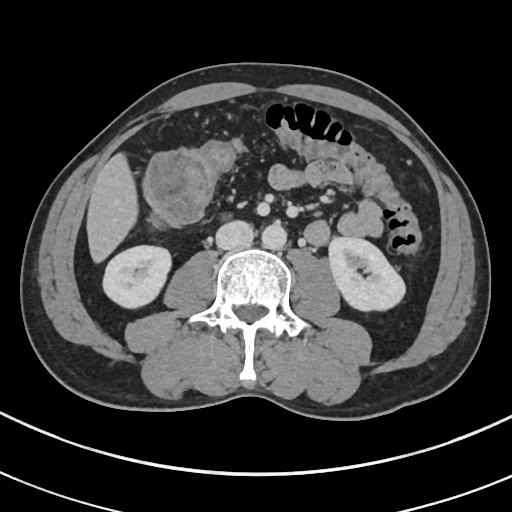

CT abdomen; axial view; scan has 15 labeled organs (a whole-scan count: organs this slice does not pass through have no box)
Each box given as x1,y1,x2,y2.
right kidney: x1=102, y1=245, x2=172, y2=309
left kidney: x1=328, y1=237, x2=406, y2=311
liver: x1=86, y1=150, x2=138, y2=265
aorta: x1=261, y1=222, x2=286, y2=250
inferior vena cava: x1=215, y1=221, x2=254, y2=249